CT, abdomen/pelvis — axial view — soft-tissue window (W 400 / L 40)
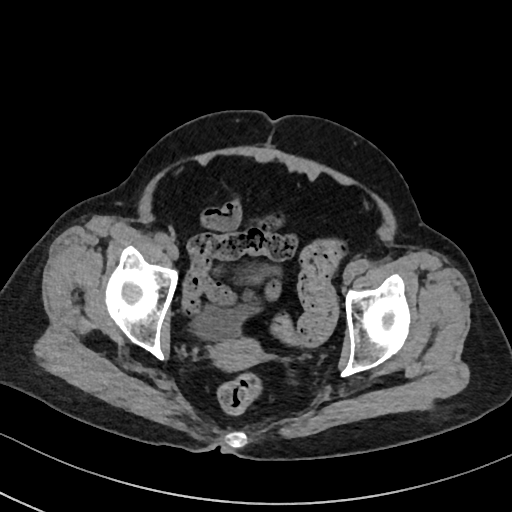 {"organs":{"bladder":[186,263,280,339],"prostate/uterus":[207,340,260,368]}}